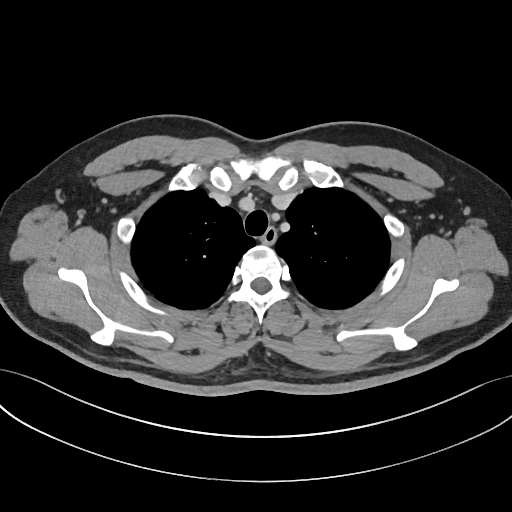 Abdominal CT reaching into the chest; this slice is in the chest. axial plane, index 320
At this level of the chest no structure but the esophagus and the aorta has a label in this dataset, and those two are boxed only where they are labeled.
Bounding boxes as [x1, y1, x2, y2] in pixel coordinates.
Organ bounding boxes:
- esophagus: [262, 227, 276, 243]